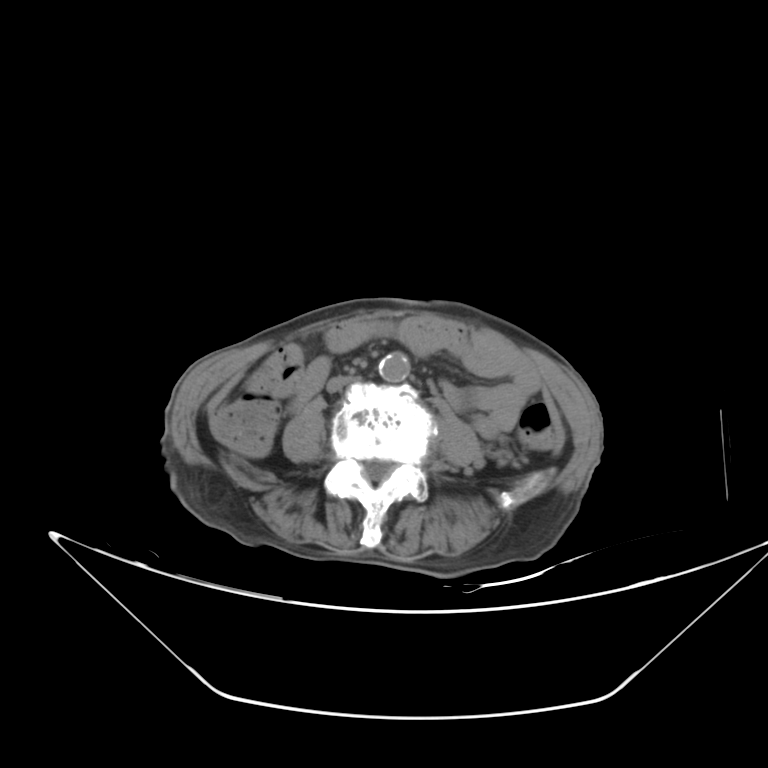 CT, abdomen/pelvis — axial view — soft-tissue window — 768x768 px — 15 organs annotated in this scan (counted over the whole 3D scan, not this slice; an organ is boxed only where this slice passes through it)
One row per box, in pixels: columns x1 and y1 give the top-left corner, x2 and y2 the bottom-right.
| organ | x1 | y1 | x2 | y2 |
|---|---|---|---|---|
| aorta | 379 | 352 | 409 | 380 |
| inferior vena cava | 326 | 375 | 357 | 391 |